CT abdomen. Axial slice 65/90. abdomen soft-tissue window. 69-year-old male patient
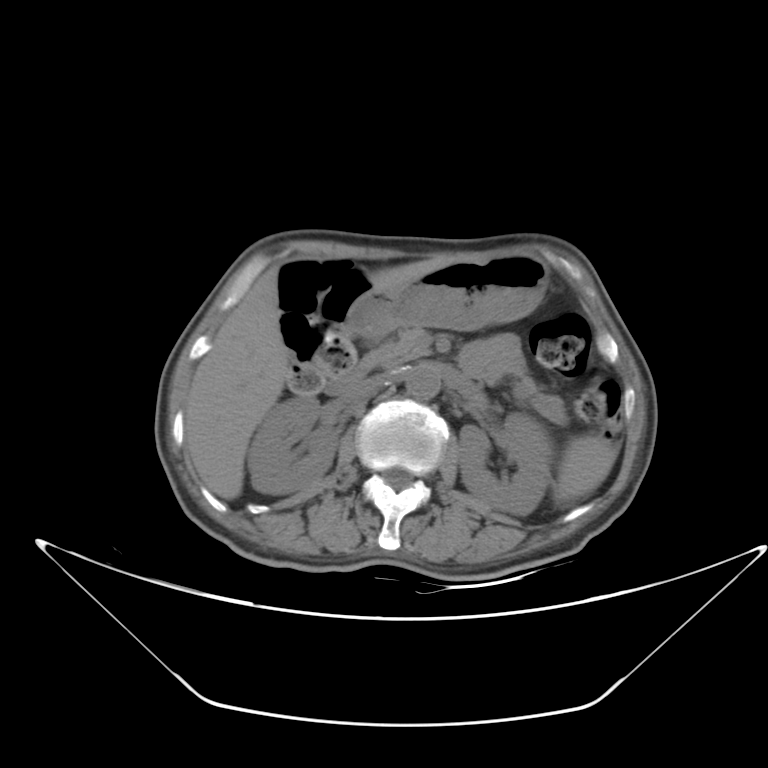

Boxes: x1:y1:x2:y2 in pixels.
Organ bounding boxes:
- aorta: 405:364:442:400
- pancreas: 378:327:430:368
- liver: 186:253:486:500
- spleen: 554:432:616:498
- left kidney: 457:411:550:513
- duodenum: 326:351:380:393
- right kidney: 247:397:337:494
- stomach: 349:252:549:338
- inferior vena cava: 342:373:384:406